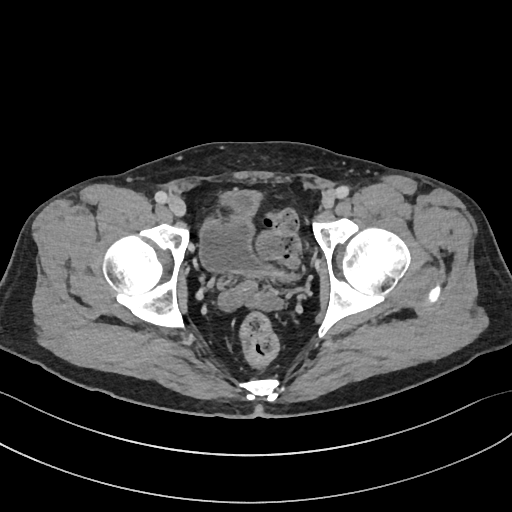
Abdominal CT · axial view · soft-tissue window · 512x512 px · acquired on SOMATOM Force
Boxes: x1:y1:x2:y2 in pixels.
Organ bounding boxes:
- bladder: 201:189:296:282